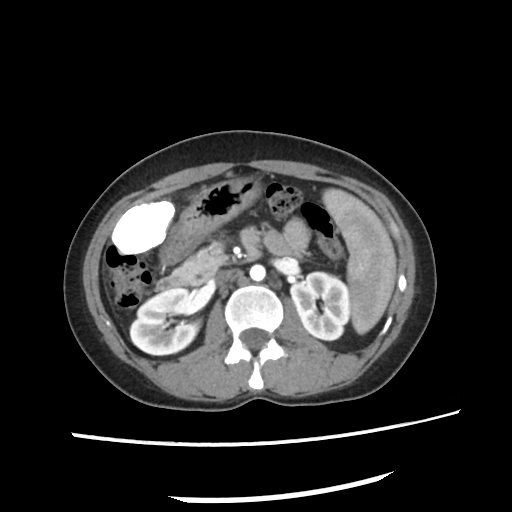 CT, abdomen/pelvis. axial view. soft-tissue window
One row per box, in pixels: columns x1 and y1 give the top-left corner, x2 and y2 the bottom-right.
| organ | x1 | y1 | x2 | y2 |
|---|---|---|---|---|
| pancreas | 173 | 248 | 226 | 284 |
| aorta | 249 | 265 | 266 | 281 |
| left kidney | 291 | 271 | 349 | 339 |
| right kidney | 130 | 288 | 199 | 353 |
| duodenum | 157 | 276 | 189 | 288 |
| inferior vena cava | 216 | 270 | 230 | 280 |
| spleen | 323 | 191 | 396 | 334 |
| liver | 111 | 199 | 173 | 253 |
| stomach | 160 | 176 | 262 | 262 |